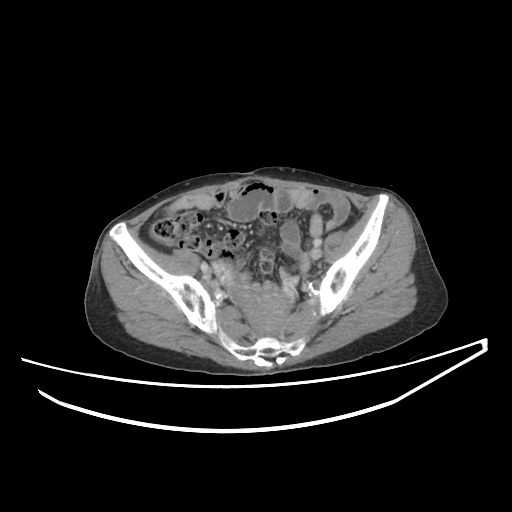 CT abdomen — Axial slice 26/116 — 512x512 px — 15 organs annotated in this scan (a whole-scan count: organs this slice does not pass through have no box)
Bounding boxes in pixels, one row per box: x1, y1 is the top-left corner and x2, y2 the bottom-right.
| organ | x1 | y1 | x2 | y2 |
|---|---|---|---|---|
| prostate/uterus | 230 | 287 | 289 | 332 |